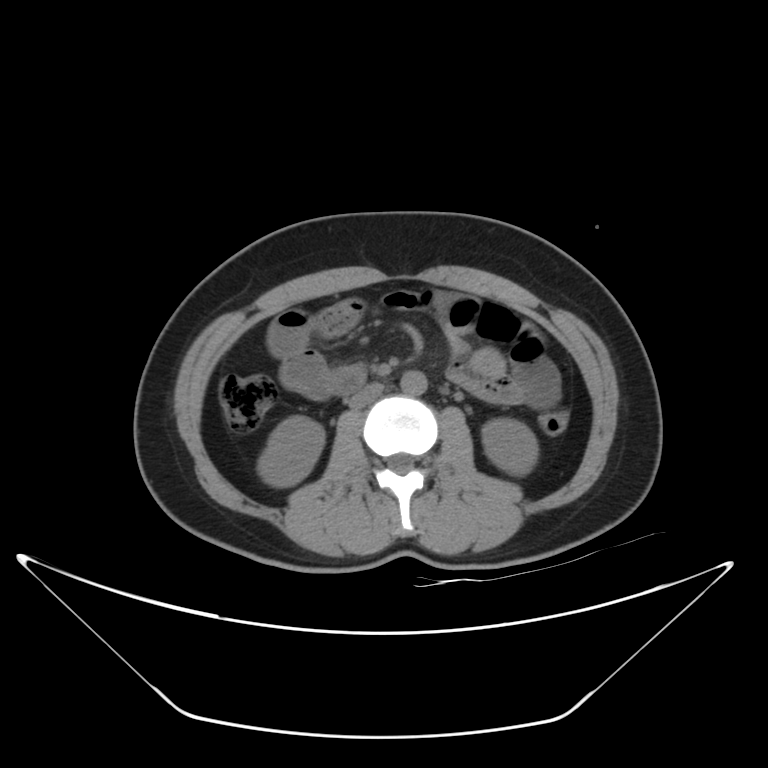 Computed tomography, abdomen — axial plane, index 59
Boxes: x1 y1 x2 y2 (pixel coords, space-separated).
right kidney: 258 416 324 486
left kidney: 482 419 537 476
aorta: 400 371 427 395
inferior vena cava: 348 383 383 409